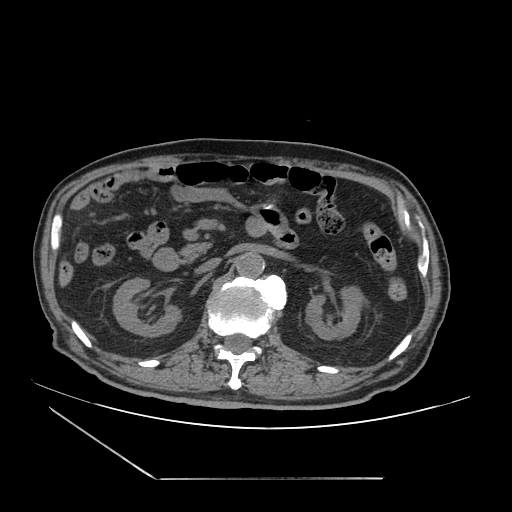

CT abdomen — axial view — 512x512 px
Each box given as x1,y1,x2,y2.
right kidney: x1=113, y1=278, x2=182, y2=337
left kidney: x1=305, y1=288, x2=362, y2=340
aorta: x1=235, y1=253, x2=264, y2=277
inferior vena cava: x1=194, y1=258, x2=221, y2=273
pancreas: x1=178, y1=243, x2=211, y2=263
duodenum: x1=152, y1=247, x2=181, y2=271